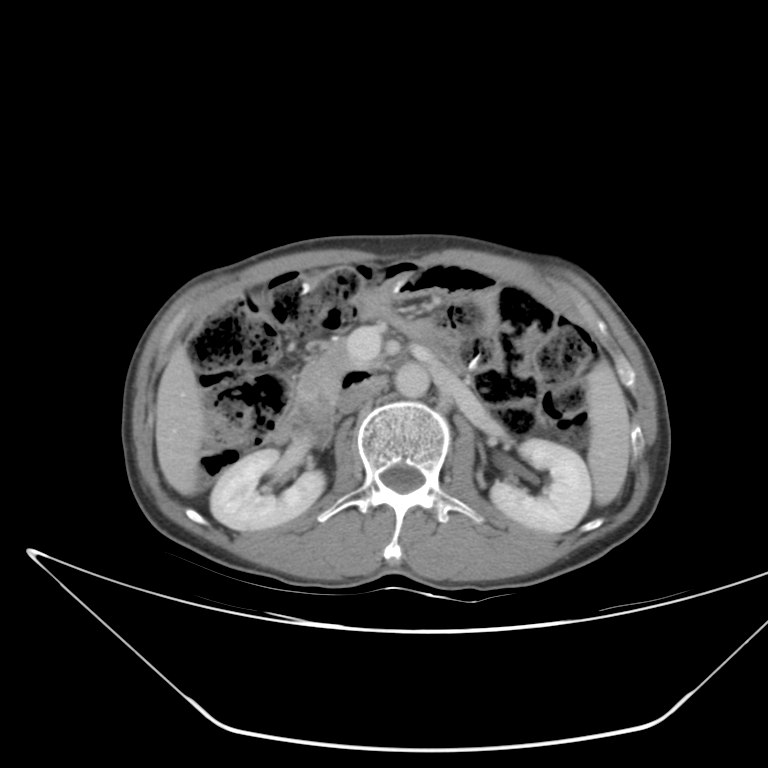
Abdominal CT; axial view; soft-tissue window; 62-year-old male patient
<organs><organ name="pancreas" x1="295" y1="348" x2="387" y2="409"/><organ name="left kidney" x1="492" y1="438" x2="590" y2="530"/><organ name="spleen" x1="587" y1="364" x2="630" y2="505"/><organ name="liver" x1="156" y1="347" x2="205" y2="496"/><organ name="right kidney" x1="212" y1="450" x2="326" y2="532"/><organ name="duodenum" x1="279" y1="404" x2="332" y2="446"/><organ name="aorta" x1="395" y1="361" x2="429" y2="396"/><organ name="inferior vena cava" x1="339" y1="377" x2="388" y2="413"/></organs>